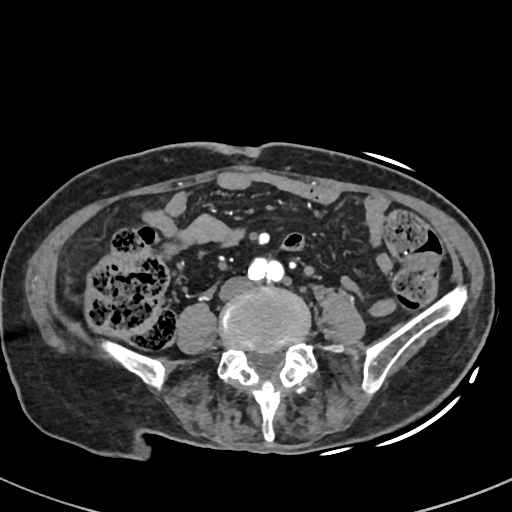
CT abdomen. axial view
Boxes: x1:y1:x2:y2 in pixels. Labeled organs on this slice: aorta at 248:273:284:281, inferior vena cava at 222:278:249:294.